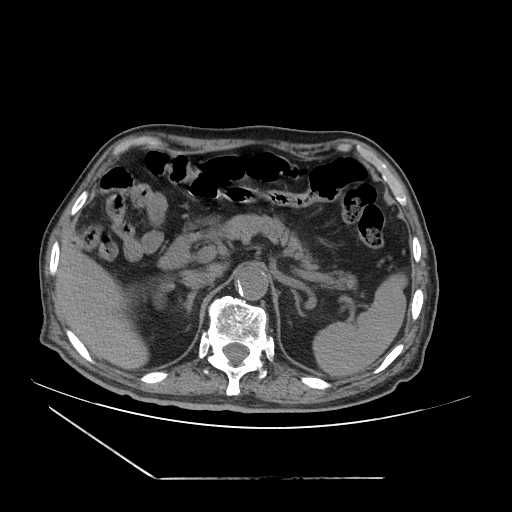
CT abdomen; axial view; abdomen soft-tissue window
<organs><organ name="spleen" x1="312" y1="273" x2="405" y2="376"/><organ name="liver" x1="57" y1="246" x2="225" y2="369"/><organ name="stomach" x1="210" y1="212" x2="228" y2="230"/><organ name="aorta" x1="235" y1="266" x2="269" y2="301"/><organ name="inferior vena cava" x1="182" y1="272" x2="214" y2="290"/><organ name="pancreas" x1="221" y1="214" x2="319" y2="270"/><organ name="right adrenal gland" x1="187" y1="291" x2="196" y2="311"/><organ name="left adrenal gland" x1="293" y1="292" x2="301" y2="314"/><organ name="duodenum" x1="159" y1="215" x2="219" y2="268"/></organs>